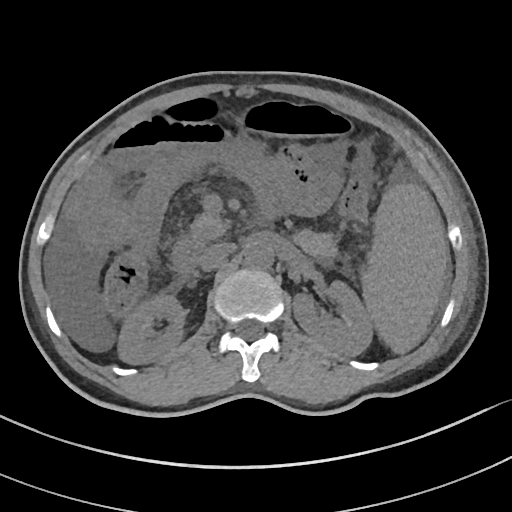

CT, abdomen/pelvis; axial view; 512x512 px
{"organs":{"spleen":[363,185,447,352],"right kidney":[119,293,186,363],"inferior vena cava":[199,243,236,270],"aorta":[245,242,273,268],"left kidney":[293,280,373,355],"pancreas":[187,213,226,244],"duodenum":[173,236,205,281]}}